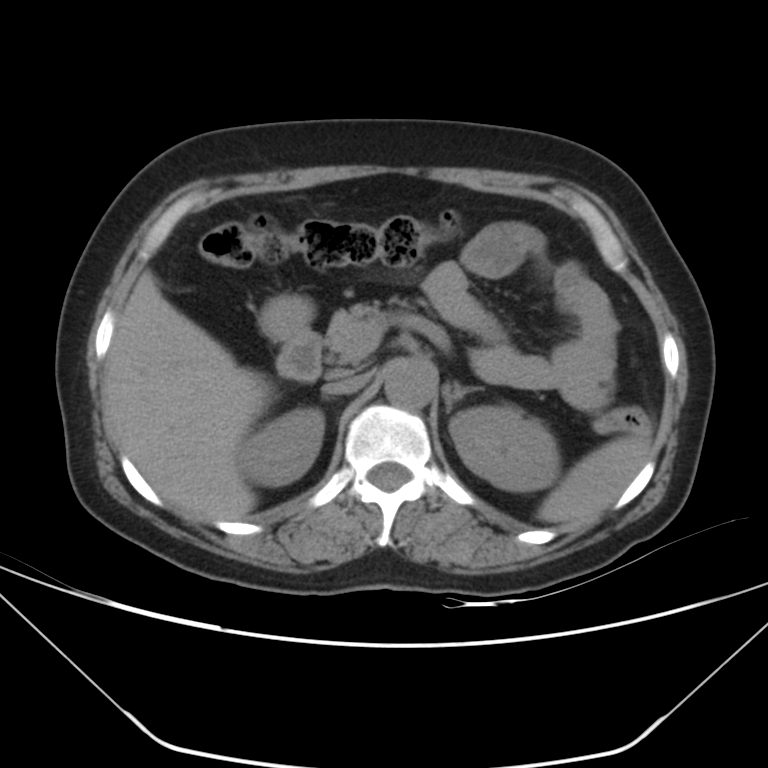 Abdominal CT · Axial slice 62/89 · soft-tissue window · 768x768 px · 40-year-old male patient
<organs><organ name="spleen" x1="541" y1="435" x2="652" y2="521"/><organ name="right kidney" x1="240" y1="408" x2="325" y2="486"/><organ name="left kidney" x1="449" y1="405" x2="560" y2="491"/><organ name="liver" x1="105" y1="271" x2="274" y2="520"/><organ name="stomach" x1="260" y1="294" x2="311" y2="340"/><organ name="aorta" x1="383" y1="359" x2="435" y2="408"/><organ name="inferior vena cava" x1="322" y1="375" x2="367" y2="394"/><organ name="pancreas" x1="326" y1="301" x2="372" y2="364"/><organ name="left adrenal gland" x1="442" y1="382" x2="482" y2="413"/><organ name="duodenum" x1="276" y1="326" x2="321" y2="382"/></organs>